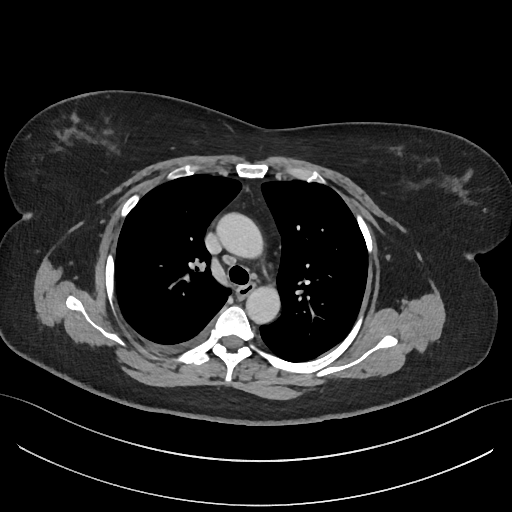
Chest-level CT slice, above the liver and spleen — axial view — scan has 15 labeled organs (that count is for the whole scan; organs this slice misses have no box)
On a slice this high in the chest, this dataset labels only the esophagus and the aorta, and each is boxed only where it is labeled; the heart, lungs and other chest structures are not labeled.
Organ boxes in pixel coordinates; each row gives the top-left (x1, y1) and bottom-right (x2, y2) corners.
| organ | x1 | y1 | x2 | y2 |
|---|---|---|---|---|
| esophagus | 237 | 283 | 254 | 296 |
| aorta | 218 | 214 | 265 | 260 |
| aorta | 246 | 284 | 281 | 323 |